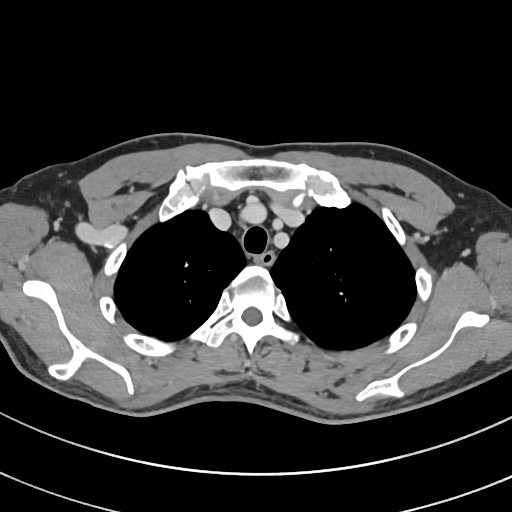 Abdominal CT reaching into the chest; this slice is in the chest. Axial slice 266/298. soft-tissue window (W 400 / L 40)
At this level of the chest no structure but the esophagus and the aorta has a label in this dataset, and those two are boxed only where they are labeled. Boxes: x1 y1 x2 y2 (pixel coords, space-separated). 1 labeled organ on this slice — esophagus at 255 251 274 264.